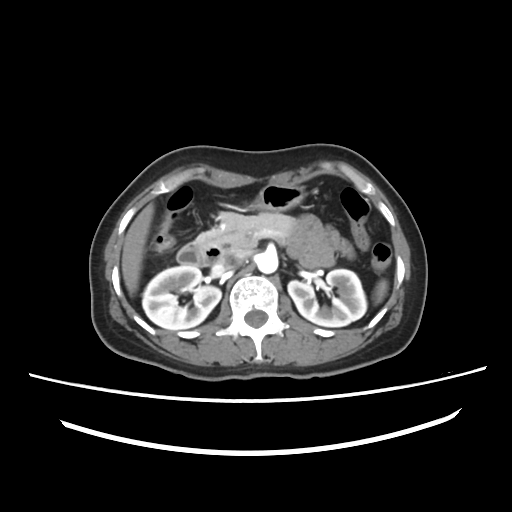 CT, abdomen/pelvis — axial view — 45-year-old female patient
<organs><organ name="spleen" x1="375" y1="280" x2="387" y2="301"/><organ name="right kidney" x1="142" y1="265" x2="221" y2="329"/><organ name="left kidney" x1="287" y1="269" x2="366" y2="327"/><organ name="liver" x1="121" y1="203" x2="153" y2="295"/><organ name="stomach" x1="253" y1="183" x2="307" y2="211"/><organ name="aorta" x1="256" y1="252" x2="278" y2="273"/><organ name="inferior vena cava" x1="216" y1="251" x2="248" y2="269"/><organ name="pancreas" x1="196" y1="212" x2="294" y2="251"/><organ name="duodenum" x1="177" y1="241" x2="222" y2="266"/></organs>